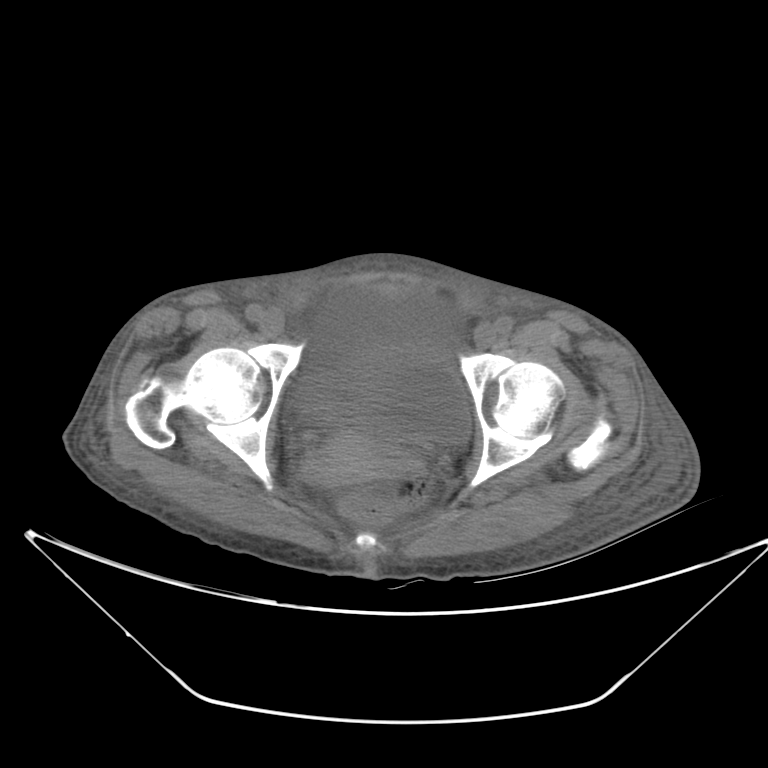 Abdominal CT. axial view. abdomen soft-tissue window. 768x768 px
One row per box, in pixels: columns x1 and y1 give the top-left corner, x2 and y2 the bottom-right.
| organ | x1 | y1 | x2 | y2 |
|---|---|---|---|---|
| bladder | 299 | 339 | 471 | 445 |
| prostate/uterus | 304 | 430 | 406 | 485 |